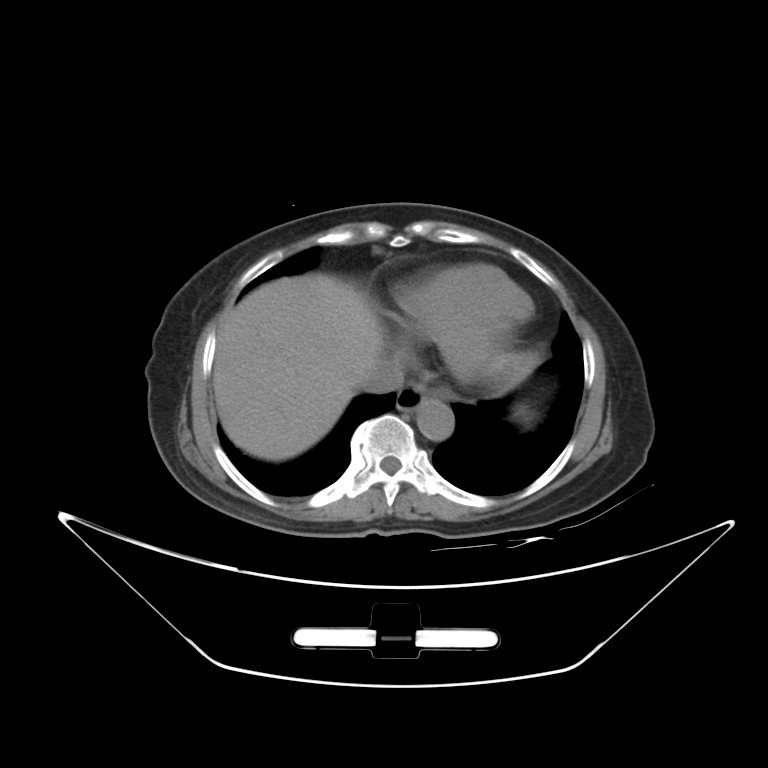 Computed tomography, abdomen. axial plane, index 81. soft-tissue window. 66-year-old female patient
<organs><organ name="esophagus" x1="396" y1="385" x2="437" y2="412"/><organ name="liver" x1="213" y1="274" x2="382" y2="460"/><organ name="stomach" x1="514" y1="352" x2="535" y2="379"/><organ name="aorta" x1="416" y1="399" x2="453" y2="441"/><organ name="inferior vena cava" x1="358" y1="358" x2="404" y2="393"/></organs>